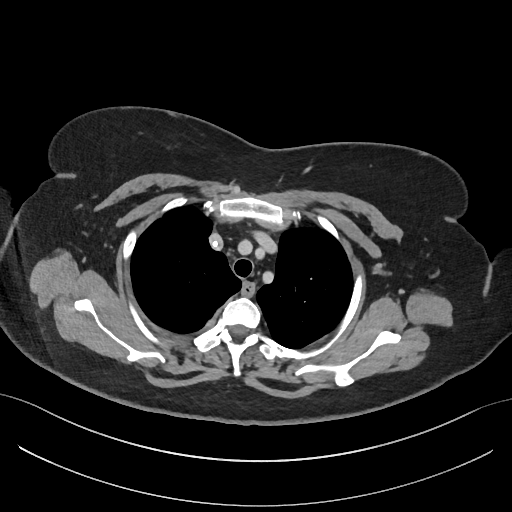

Abdominal CT reaching into the chest; this slice is in the chest — axial plane, index 276
At this level of the chest this dataset labels only the esophagus and the aorta, and each is boxed only where it is labeled; the heart and lungs are never labeled.
{"organs":{"esophagus":[243,282,256,296]}}